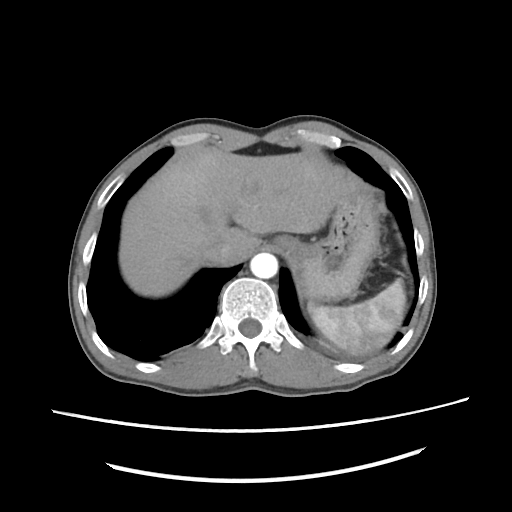
Computed tomography, abdomen — axial view — scan has 15 labeled organs (counted over the whole 3D scan, not this slice; an organ is boxed only where this slice passes through it)
Boxes are (x1, y1, x2, y2) in pixels.
liver: (120, 142, 359, 297)
esophagus: (274, 234, 300, 256)
stomach: (295, 184, 380, 300)
inferior vena cava: (199, 242, 229, 264)
spleen: (308, 278, 405, 352)
aorta: (251, 252, 279, 277)